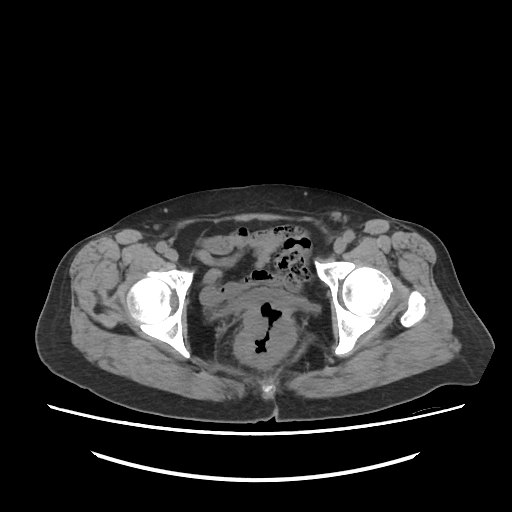 CT, abdomen/pelvis; axial view; soft-tissue window (W 400 / L 40); 512x512 px
Organ boxes in pixel coordinates; each row gives the top-left (x1, y1) and bottom-right (x2, y2) corners.
| organ | x1 | y1 | x2 | y2 |
|---|---|---|---|---|
| bladder | 219 | 288 | 322 | 314 |